Abdominal CT · axial view · soft-tissue window (W 400 / L 40)
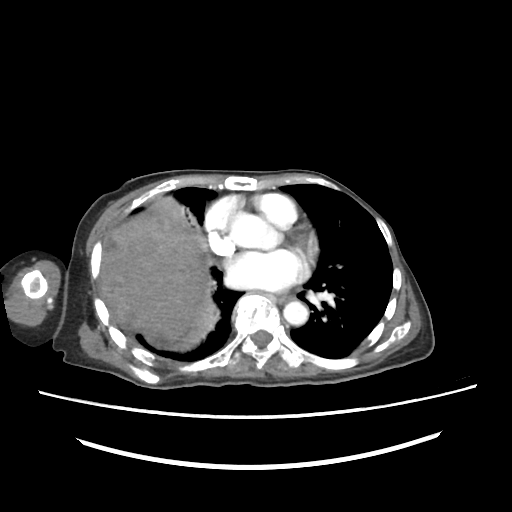 One row per box, in pixels: columns x1 and y1 give the top-left corner, x2 and y2 the bottom-right.
| organ | x1 | y1 | x2 | y2 |
|---|---|---|---|---|
| aorta | 283 | 301 | 308 | 325 |
| esophagus | 278 | 295 | 294 | 303 |
| liver | 100 | 196 | 218 | 350 |